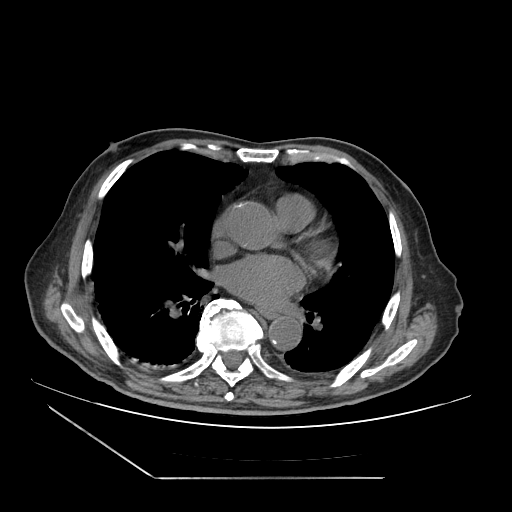 CT of the abdomen reaching into the lower chest, slice just above the liver and spleen. axial plane, index 186. W/L 400/40 HU. 512x512 px. 15 organs annotated in this scan (that count is for the whole scan; organs this slice misses have no box)
Of the structures in the chest, this dataset labels only the esophagus, the aorta and the inferior vena cava; the heart and lungs have no label.
Bounding boxes in pixels, one row per box: x1, y1 is the top-left corner and x2, y2 the bottom-right.
| organ | x1 | y1 | x2 | y2 |
|---|---|---|---|---|
| esophagus | 259 | 310 | 279 | 319 |
| aorta | 269 | 317 | 301 | 350 |